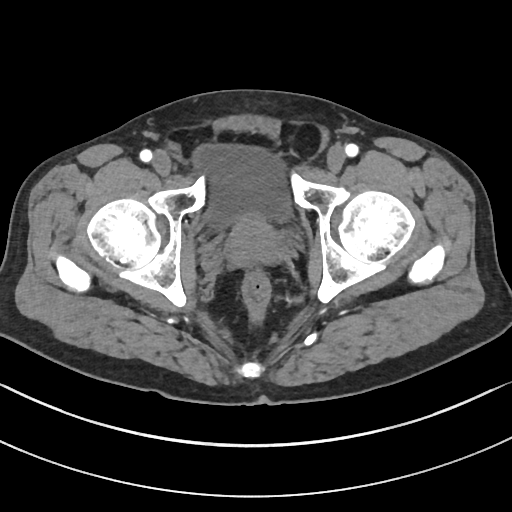

Computed tomography, abdomen; Axial slice 23/280; 512x512 px
Bounding boxes as [x1, y1, x2, y2] in pixel coordinates.
bladder: [194, 143, 289, 230]
prostate/uterus: [225, 219, 281, 266]